CT of the abdomen extending into the chest, slice through the chest — axial view — 15 organs annotated in this scan (a whole-scan count: organs this slice does not pass through have no box)
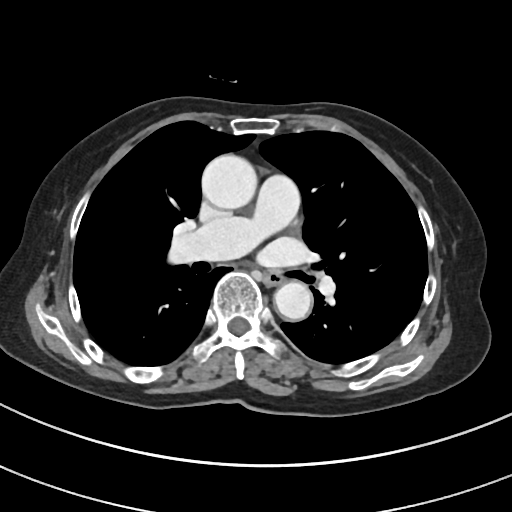

On a slice this high in the chest, this dataset labels only the esophagus and the aorta, and each is boxed only where it is labeled; the heart, lungs and other chest structures are not labeled.
{"organs":{"aorta":[[201,154,257,209],[275,281,311,319]],"esophagus":[264,270,286,284]}}